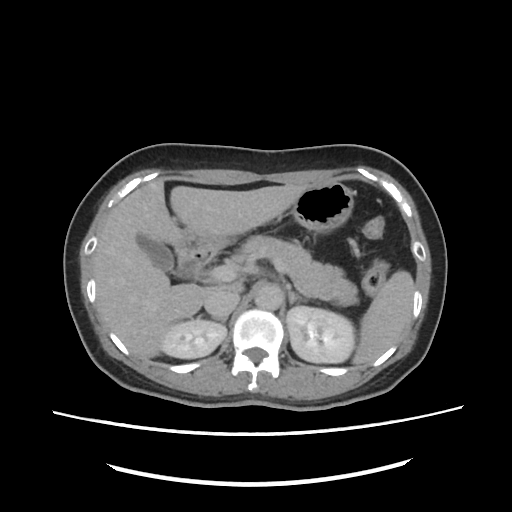

Abdominal CT; Axial slice 67/85; acquired on Aquilion ONE
Box edges are left/top/right/bottom in pixels. The annotated organs in this slice are: spleen at left=352, top=271, right=413, bottom=364, left kidney at left=287, top=307, right=353, bottom=362, right adrenal gland at left=220, top=319, right=225, bottom=322, left adrenal gland at left=287, top=288, right=304, bottom=306, stomach at left=178, top=181, right=353, bottom=249, gall bladder at left=136, top=232, right=175, bottom=272, duodenum at left=176, top=248, right=217, bottom=279, inferior vena cava at left=205, top=290, right=240, bottom=318, aorta at left=254, top=284, right=282, bottom=310, pancreas at left=232, top=234, right=357, bottom=306, right kidney at left=161, top=319, right=227, bottom=358, liver at left=94, top=179, right=309, bottom=358.